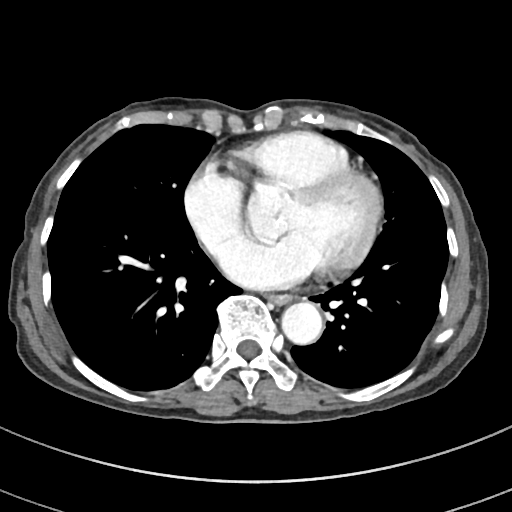
CT of the abdomen reaching into the lower chest, slice just above the liver and spleen — axial view — W/L 400/40 HU — 14 organs annotated in this scan (that count is for the whole scan; organs this slice misses have no box)
The heart and lungs are never labeled in this dataset, so they have no box on this slice.
<organs><organ name="esophagus" x1="269" y1="294" x2="293" y2="305"/><organ name="aorta" x1="281" y1="303" x2="322" y2="345"/></organs>